CT abdomen; axial plane, index 50; abdomen soft-tissue window; 512x512 px; Aquilion ONE scanner
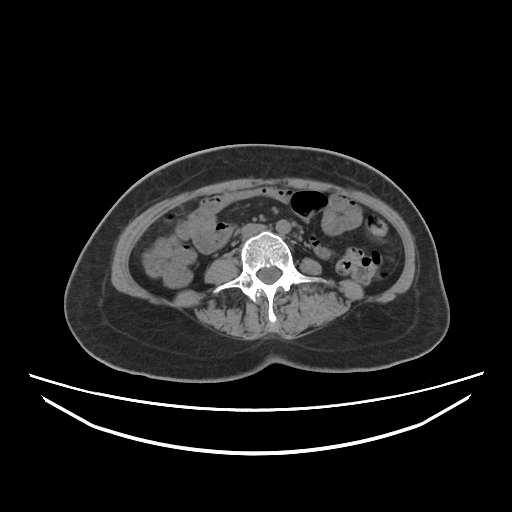 <organs><organ name="aorta" x1="276" y1="220" x2="290" y2="234"/><organ name="inferior vena cava" x1="241" y1="223" x2="266" y2="237"/></organs>